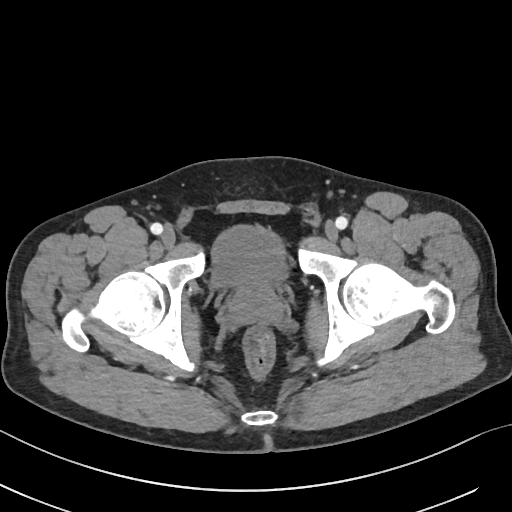 CT abdomen — Axial slice 33/307 — abdomen soft-tissue window — scan has 15 labeled organs (that count is for the whole scan; organs this slice misses have no box)
Bounding boxes as [x1, y1, x2, y2] in pixel coordinates.
bladder: [209, 224, 288, 288]
prostate/uterus: [229, 284, 281, 324]